CT, abdomen/pelvis; axial view; soft-tissue window; 46-year-old male patient
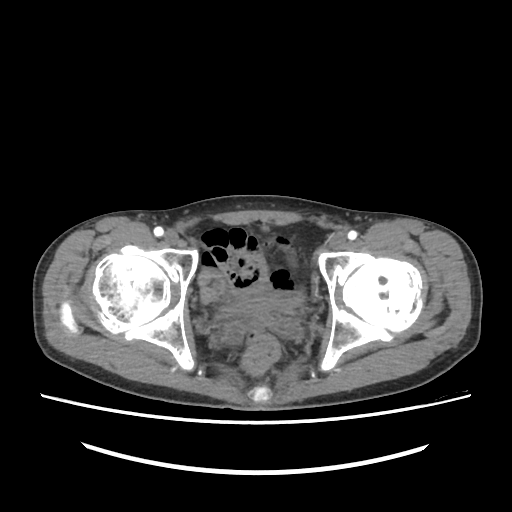
Box edges are left/top/right/bottom in pixels.
Organ bounding boxes:
- bladder: left=220, top=297, right=299, bottom=315